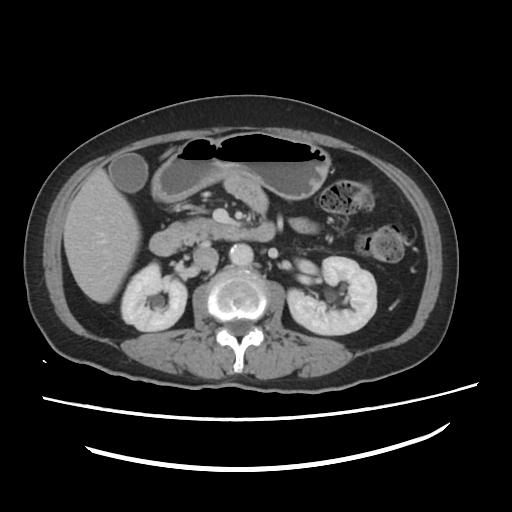
Computed tomography, abdomen; axial plane, index 59; 512x512 px; 61-year-old female patient
<organs><organ name="right kidney" x1="120" y1="261" x2="187" y2="331"/><organ name="left kidney" x1="287" y1="257" x2="376" y2="335"/><organ name="gall bladder" x1="110" y1="155" x2="146" y2="191"/><organ name="liver" x1="63" y1="167" x2="140" y2="302"/><organ name="stomach" x1="151" y1="133" x2="330" y2="201"/><organ name="aorta" x1="228" y1="244" x2="254" y2="264"/><organ name="inferior vena cava" x1="193" y1="244" x2="217" y2="270"/><organ name="pancreas" x1="184" y1="217" x2="223" y2="241"/><organ name="duodenum" x1="149" y1="221" x2="275" y2="255"/></organs>